CT abdomen. Axial slice 165/298. SOMATOM Force scanner
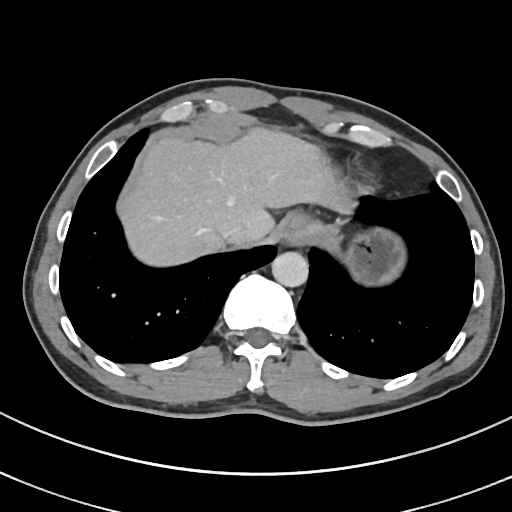

Each box given as x1,y1,x2,y2.
Organ bounding boxes:
- esophagus: x1=278, y1=213, x2=309, y2=245
- liver: x1=117, y1=127, x2=353, y2=266
- stomach: x1=304, y1=223, x2=406, y2=285
- aorta: x1=271, y1=251, x2=308, y2=287
- inferior vena cava: x1=221, y1=226, x2=242, y2=240